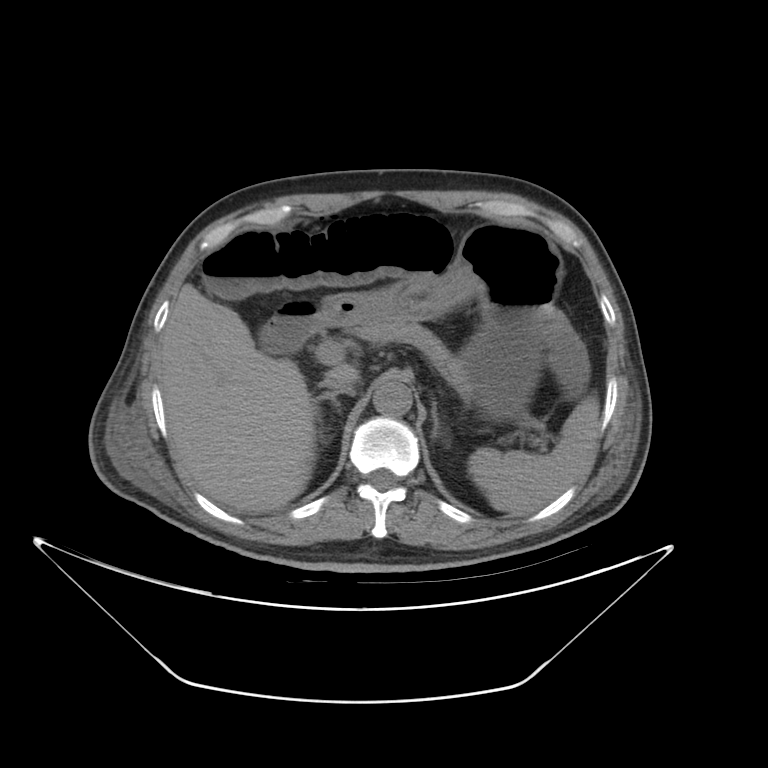
Computed tomography, abdomen; Axial slice 75/99; 768x768 px; 66-year-old male patient
<organs><organ name="spleen" x1="467" y1="398" x2="600" y2="517"/><organ name="liver" x1="161" y1="285" x2="360" y2="514"/><organ name="stomach" x1="320" y1="222" x2="564" y2="414"/><organ name="aorta" x1="374" y1="379" x2="413" y2="415"/><organ name="inferior vena cava" x1="319" y1="369" x2="348" y2="390"/><organ name="pancreas" x1="341" y1="322" x2="470" y2="395"/><organ name="right adrenal gland" x1="313" y1="390" x2="346" y2="429"/><organ name="left adrenal gland" x1="430" y1="396" x2="438" y2="438"/><organ name="duodenum" x1="256" y1="300" x2="324" y2="352"/></organs>